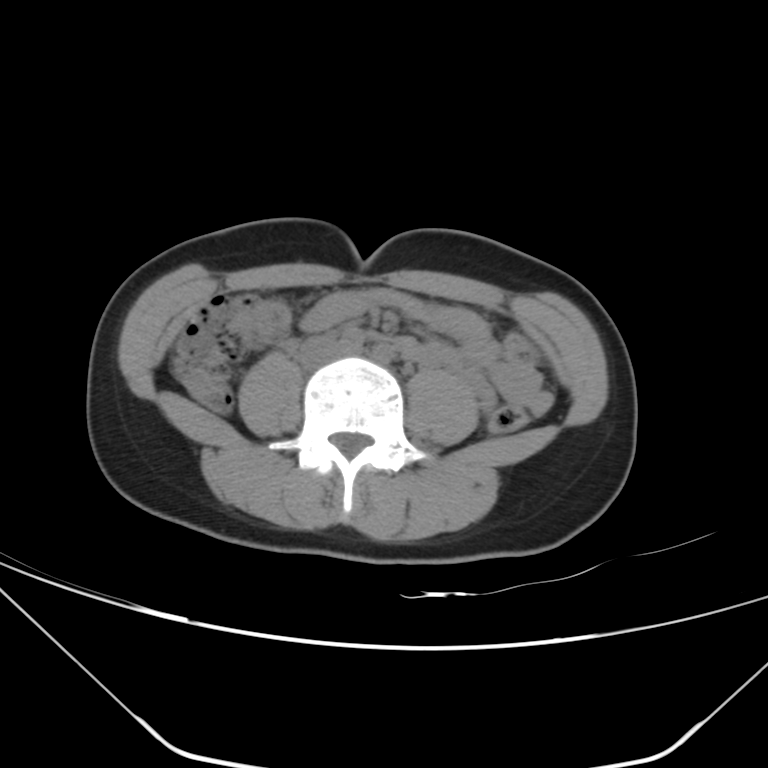 CT abdomen; axial view
Each box given as x1,y1,x2,y2. The annotated organs in this slice are: inferior vena cava at x1=299, y1=337, x2=346, y2=368.